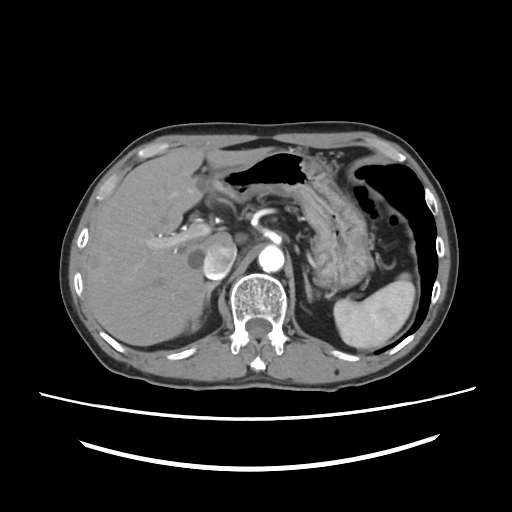 Computed tomography, abdomen. axial view. 512x512 px
Bounding boxes as [x1, y1, x2, y2] in pixel coordinates.
spleen: [333, 274, 414, 348]
right kidney: [187, 320, 199, 332]
liver: [85, 147, 272, 345]
stomach: [209, 148, 372, 290]
aorta: [258, 246, 284, 272]
inferior vena cava: [202, 245, 236, 279]
right adrenal gland: [192, 281, 219, 322]
left adrenal gland: [303, 271, 318, 300]